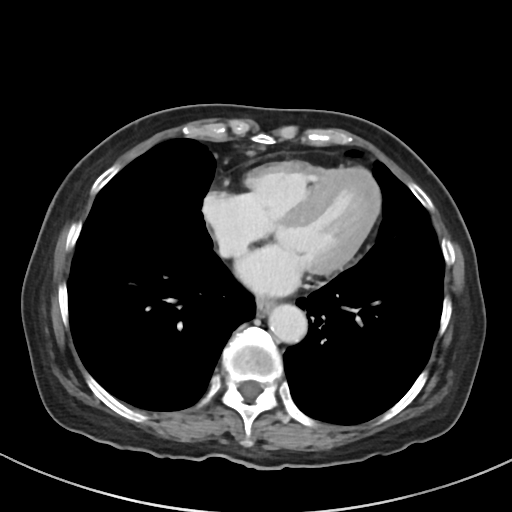

Abdominal CT; this slice is in the lower chest, just above the liver — Axial slice 76/78 — soft-tissue window, W/L 400/40 — 512x512 px — acquired on SOMATOM Force
The heart and lungs are never labeled in this dataset, so they have no box on this slice. Box edges are left/top/right/bottom in pixels. 2 labeled organs on this slice — esophagus at left=257, top=298, right=274, bottom=315; aorta at left=268, top=304, right=307, bottom=343.